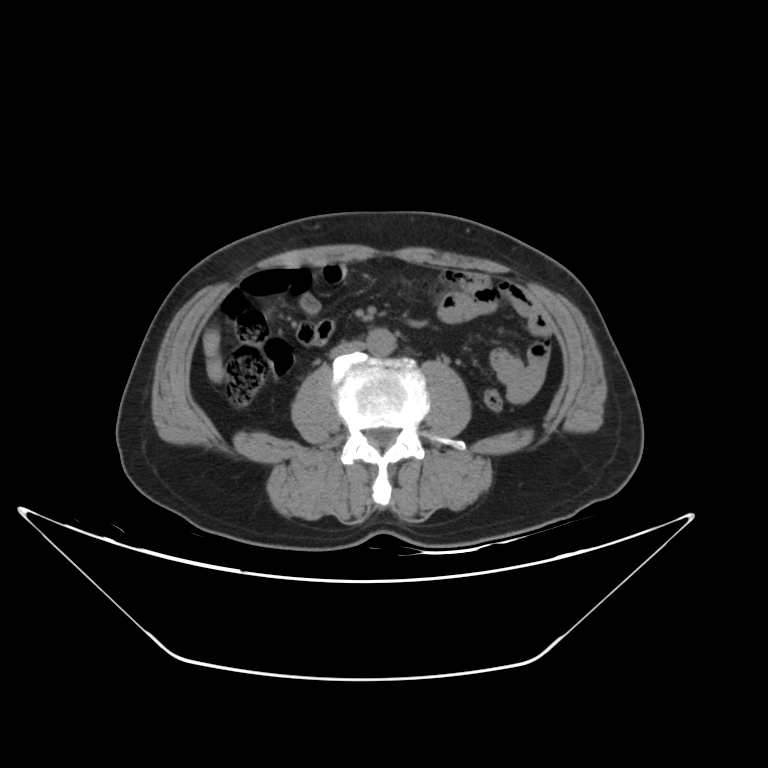

CT, abdomen/pelvis · axial view · soft-tissue window (W 400 / L 40) · 71-year-old male patient
{"organs":{"aorta":[365,327,394,356],"inferior vena cava":[331,342,366,357]}}